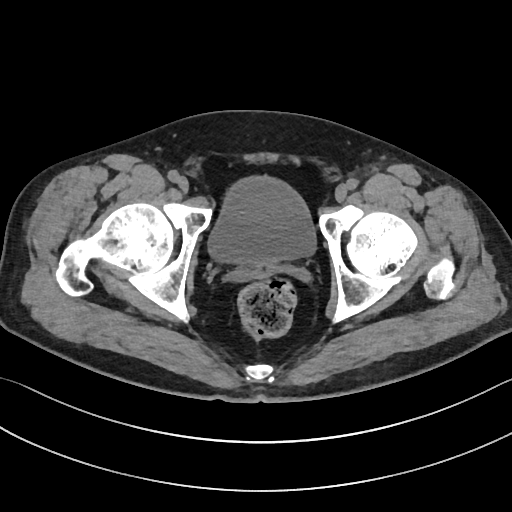
CT abdomen; Axial slice 27/231; 512x512 px; scan has 15 labeled organs (that count is for the whole scan; organs this slice misses have no box)
<organs><organ name="bladder" x1="208" y1="177" x2="315" y2="263"/></organs>